Chest-level slice from an abdominal CT that extends up into the chest · Axial slice 333/333 · soft-tissue window · 512x512 px · scan has 15 labeled organs (that count is for the whole scan; organs this slice misses have no box)
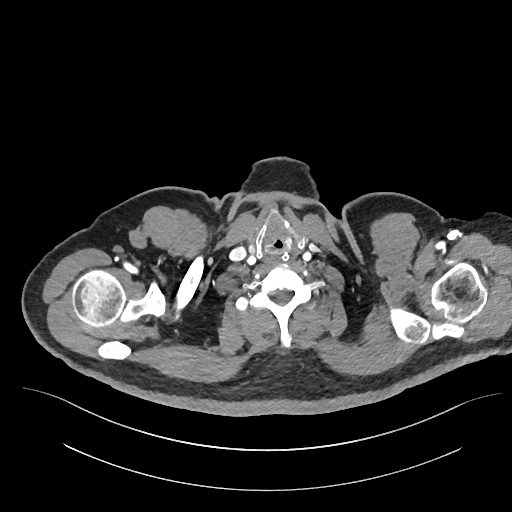
On a slice this high in the chest, this dataset labels only the esophagus and the aorta, and each is boxed only where it is labeled; the heart, lungs and other chest structures are not labeled.
{"organs":{"esophagus":[272,251,293,263]}}